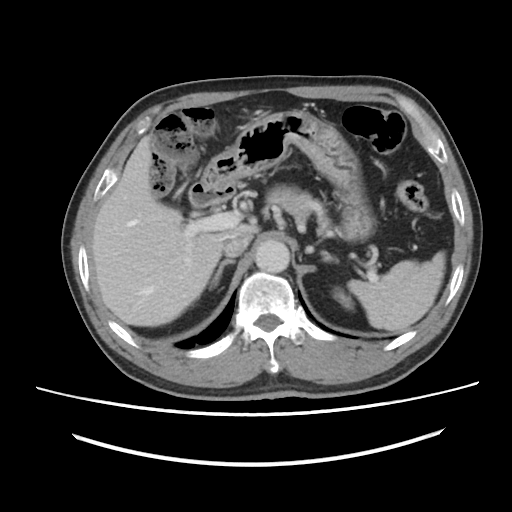

CT, abdomen/pelvis; Axial slice 70/124; soft-tissue window; 512x512 px
Coordinates as <box>x1,y1,x2,y2</box> in pixels. Labeled organs on this slice: spleen at <box>347,251,445,331</box>, left kidney at <box>334,289,352,308</box>, liver at <box>92,135,258,326</box>, stomach at <box>201,110,374,240</box>, aorta at <box>255,240,289,272</box>, inferior vena cava at <box>223,232,251,256</box>, pancreas at <box>266,185,313,221</box>, right adrenal gland at <box>209,259,235,289</box>, left adrenal gland at <box>321,251,339,263</box>, duodenum at <box>189,182,235,206</box>.